Computed tomography, abdomen · axial view
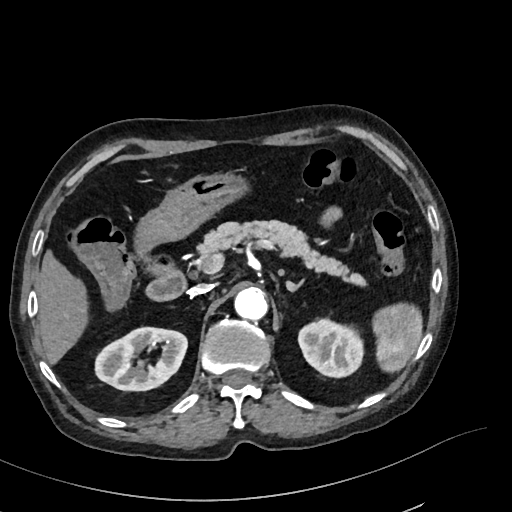 {"organs":{"spleen":[372,303,422,372],"left adrenal gland":[286,280,303,291],"aorta":[234,287,268,320],"inferior vena cava":[188,284,211,296],"right kidney":[95,327,187,390],"duodenum":[146,260,186,301],"stomach":[134,171,251,258],"liver":[39,250,88,364],"pancreas":[197,220,365,286],"left kidney":[298,319,363,377]}}